Abdominal CT. axial view. soft-tissue window (W 400 / L 40). 512x512 px. scan has 15 labeled organs (a whole-scan count: organs this slice does not pass through have no box)
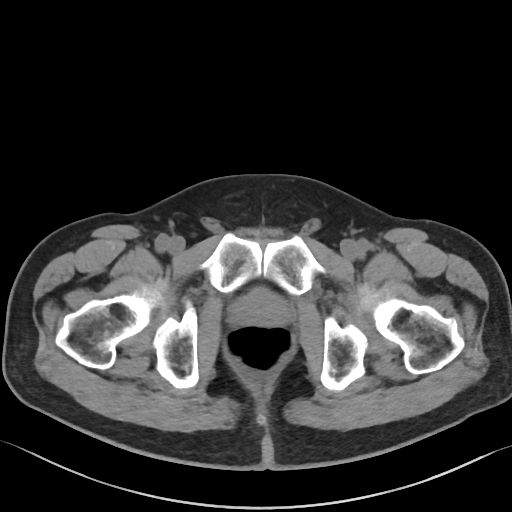

{"organs":{"prostate/uterus":[231,289,290,327]}}